CT abdomen — axial view — soft-tissue window
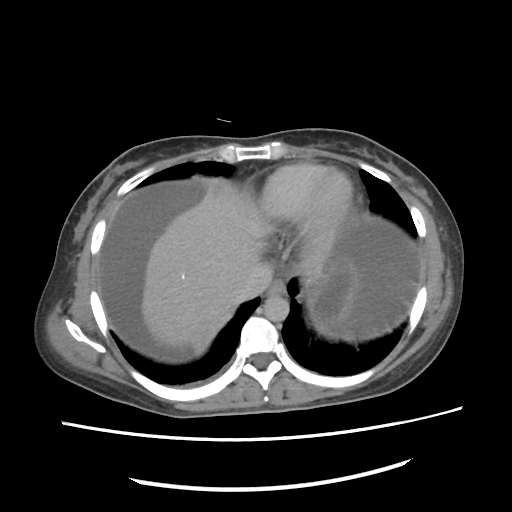 {"organs":{"esophagus":[266,278,286,297],"liver":[139,195,340,355],"stomach":[306,260,353,332],"aorta":[262,296,288,322],"inferior vena cava":[234,264,274,298]}}